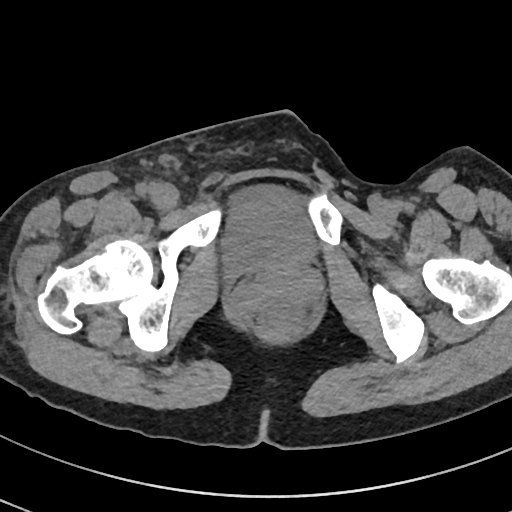

Abdominal CT. axial view. W/L 400/40 HU
{"organs":{"bladder":[222,185,314,272]}}